Chest-level CT slice, above the liver and spleen · axial view · 52-year-old male patient · Aquilion ONE scanner
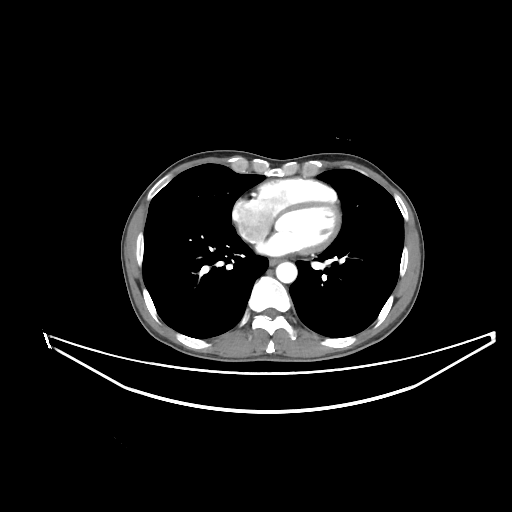 At this level of the chest this dataset labels only the esophagus and the aorta, and each is boxed only where it is labeled; the heart and lungs are never labeled.
One row per box, in pixels: columns x1 and y1 give the top-left corner, x2 and y2 the bottom-right.
| organ | x1 | y1 | x2 | y2 |
|---|---|---|---|---|
| esophagus | 269 | 259 | 278 | 265 |
| aorta | 276 | 262 | 297 | 282 |